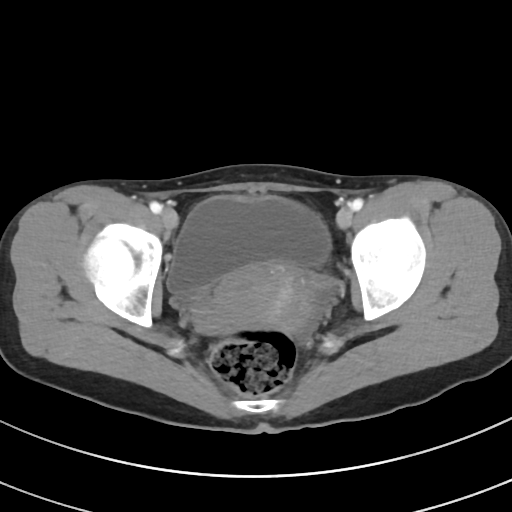

Computed tomography, abdomen. axial view
Boxes are (x1, y1, x2, y2) in pixels.
bladder: (167, 196, 330, 297)
prostate/uterus: (200, 263, 311, 333)